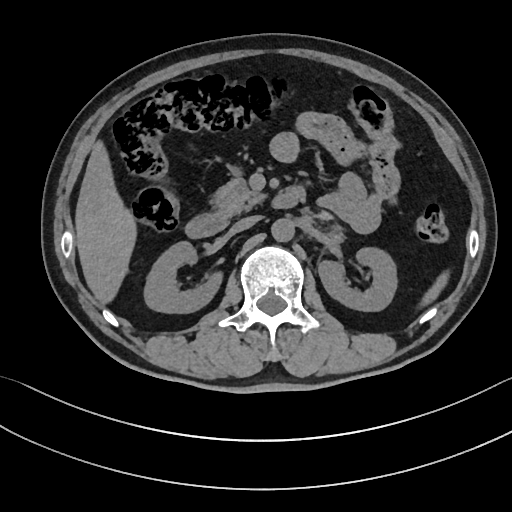

CT, abdomen/pelvis — axial view — soft-tissue window (W 400 / L 40) — acquired on SOMATOM Force — 15 organs annotated in this scan (that count is for the whole scan; organs this slice misses have no box)
<organs><organ name="spleen" x1="420" y1="273" x2="448" y2="304"/><organ name="right kidney" x1="145" y1="242" x2="221" y2="313"/><organ name="left kidney" x1="318" y1="248" x2="395" y2="311"/><organ name="liver" x1="74" y1="141" x2="135" y2="304"/><organ name="aorta" x1="271" y1="218" x2="295" y2="242"/><organ name="inferior vena cava" x1="229" y1="215" x2="260" y2="233"/><organ name="pancreas" x1="206" y1="164" x2="265" y2="217"/><organ name="duodenum" x1="184" y1="185" x2="305" y2="238"/></organs>